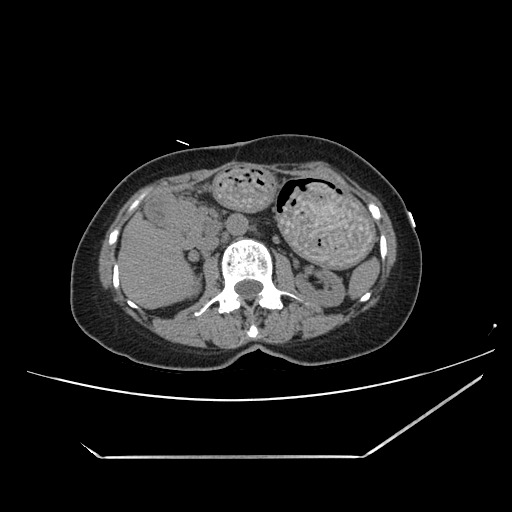

CT abdomen; axial view
<organs><organ name="spleen" x1="348" y1="257" x2="379" y2="298"/><organ name="right kidney" x1="191" y1="283" x2="199" y2="294"/><organ name="left kidney" x1="295" y1="269" x2="344" y2="306"/><organ name="liver" x1="118" y1="212" x2="195" y2="308"/><organ name="stomach" x1="165" y1="165" x2="372" y2="267"/><organ name="aorta" x1="226" y1="214" x2="247" y2="235"/><organ name="inferior vena cava" x1="197" y1="233" x2="218" y2="252"/><organ name="pancreas" x1="166" y1="199" x2="215" y2="240"/><organ name="duodenum" x1="146" y1="195" x2="197" y2="248"/></organs>